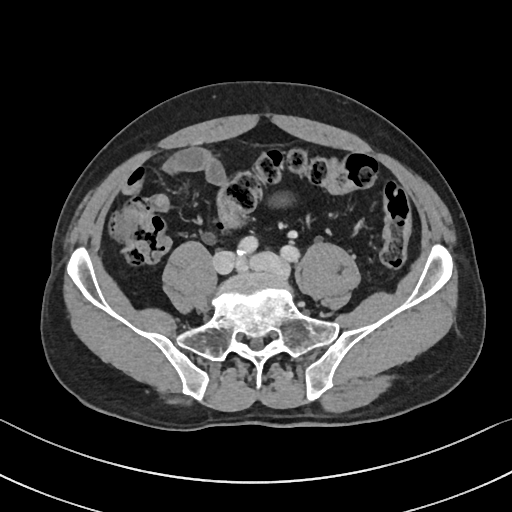 CT abdomen. axial view. W/L 400/40 HU
Each box given as x1,y1,x2,y2.
Organ bounding boxes:
- bladder: x1=264, y1=189, x2=300, y2=210